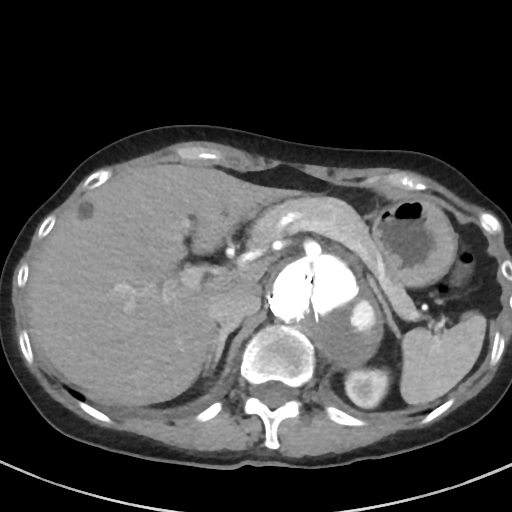
Abdominal CT. axial view. soft-tissue window (W 400 / L 40). SOMATOM Force scanner
Coordinates as <box>x1,y1,x2,y2</box> in pixels.
Organ bounding boxes:
- spleen: <box>400,312,486,404</box>
- left kidney: <box>345,369,389,407</box>
- liver: <box>27,163,289,406</box>
- stomach: <box>372,195,456,287</box>
- aorta: <box>264,252,381,365</box>
- inferior vena cava: <box>209,287,260,325</box>
- pancreas: <box>248,197,414,319</box>
- right adrenal gland: <box>205,325,237,372</box>
- left adrenal gland: <box>369,278,396,330</box>